Computed tomography, abdomen. axial plane, index 53. 15 organs annotated in this scan (a whole-scan count: organs this slice does not pass through have no box)
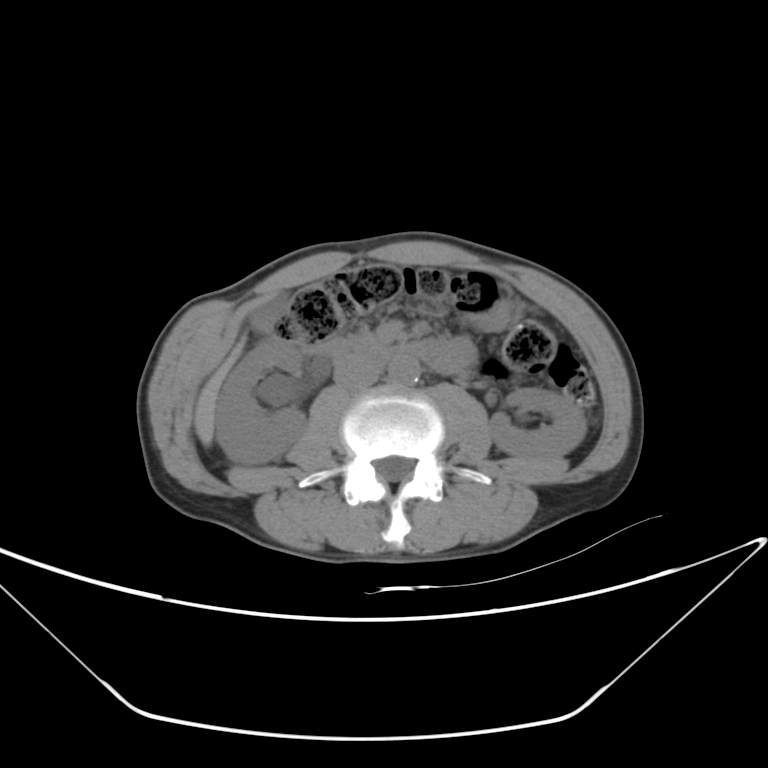
Coordinates as <box>x1,y1,x2,y2</box> in pixels.
right kidney: <box>214,336,305,464</box>
left kidney: <box>489,388,585,461</box>
gall bladder: <box>252,294,285,330</box>
liver: <box>194,340,242,445</box>
stomach: <box>477,300,517,330</box>
aorta: <box>388,356,419,385</box>
inferior vena cava: <box>334,359,381,390</box>
duodenum: <box>317,339,439,364</box>